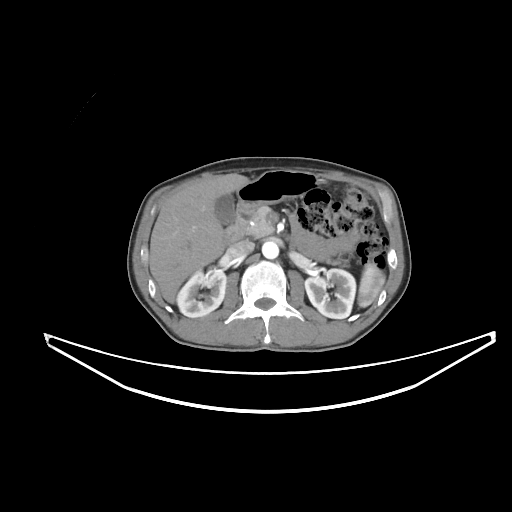 CT, abdomen/pelvis — axial view — soft-tissue window — 512x512 px — 15 organs annotated in this scan (a whole-scan count: organs this slice does not pass through have no box)
Boxes are (x1, y1, x2, y2) in pixels. Labeled organs on this slice: right kidney at (177, 269, 226, 317), aorta at (262, 241, 278, 258), stomach at (237, 170, 319, 209), inferior vena cava at (227, 241, 254, 258), pancreas at (246, 206, 273, 238), left kidney at (305, 269, 355, 318), spleen at (357, 263, 385, 307), gall bladder at (214, 194, 235, 224), duodenum at (223, 207, 254, 245), liver at (149, 174, 249, 303).